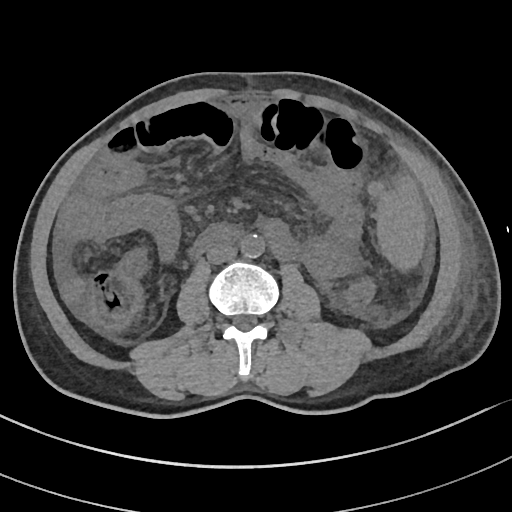
CT abdomen; axial view; 512x512 px; scan has 15 labeled organs (counted over the whole 3D scan, not this slice; an organ is boxed only where this slice passes through it)
One row per box, in pixels: columns x1 and y1 give the top-left corner, x2 and y2 the bottom-right.
| organ | x1 | y1 | x2 | y2 |
|---|---|---|---|---|
| spleen | 377 | 178 | 424 | 266 |
| aorta | 240 | 233 | 264 | 258 |
| inferior vena cava | 206 | 243 | 236 | 263 |
| duodenum | 188 | 225 | 240 | 258 |